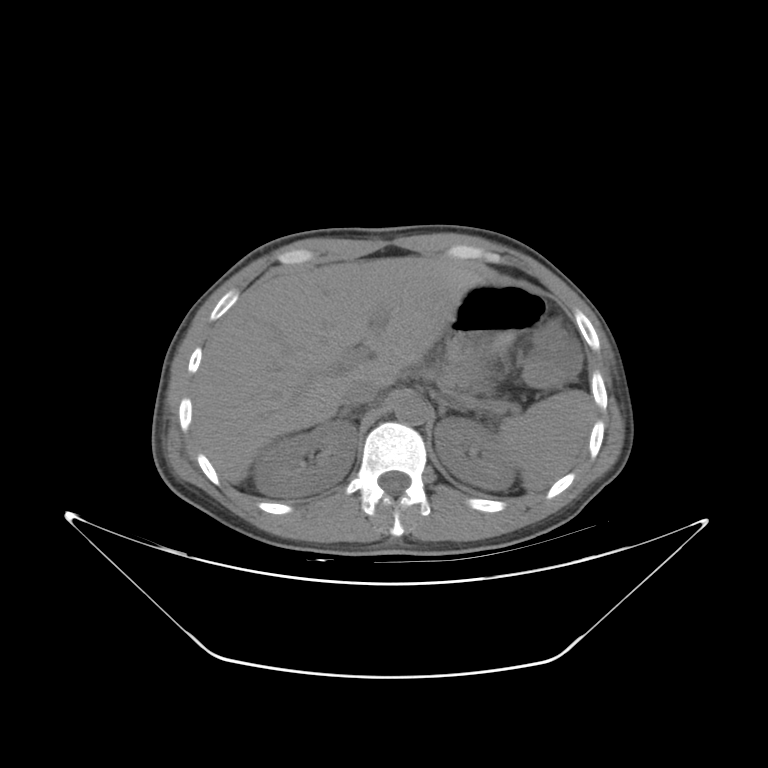

Computed tomography, abdomen. axial view
One row per box, in pixels: columns x1 and y1 give the top-left corner, x2 and y2 the bottom-right.
| organ | x1 | y1 | x2 | y2 |
|---|---|---|---|---|
| spleen | 498 | 390 | 593 | 490 |
| right kidney | 253 | 419 | 357 | 497 |
| left kidney | 434 | 417 | 515 | 490 |
| liver | 193 | 257 | 483 | 483 |
| stomach | 447 | 282 | 544 | 373 |
| aorta | 393 | 394 | 428 | 425 |
| inferior vena cava | 341 | 378 | 379 | 406 |
| pancreas | 444 | 367 | 478 | 388 |
| right adrenal gland | 339 | 406 | 353 | 416 |
| left adrenal gland | 435 | 396 | 465 | 417 |